CT, abdomen/pelvis · axial view · W/L 400/40 HU · acquired on Brilliance16
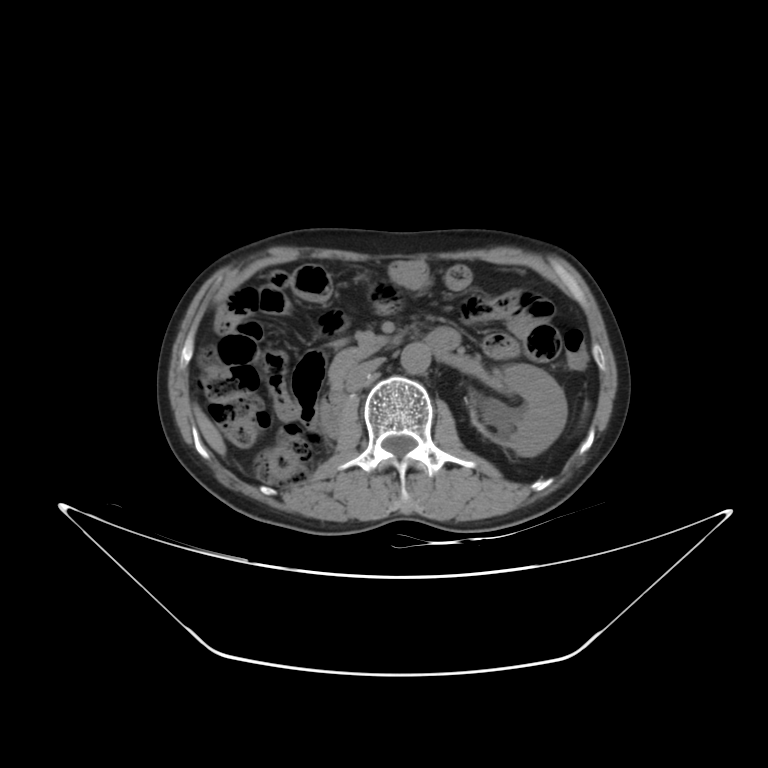

Boxes: x1:y1:x2:y2 in pixels. Labeled organs on this slice: left kidney at 471:363:567:456, liver at 194:406:225:455, aorta at 400:343:430:374, inferior vena cava at 345:357:384:391, pancreas at 329:347:368:387, duodenum at 321:328:460:432.